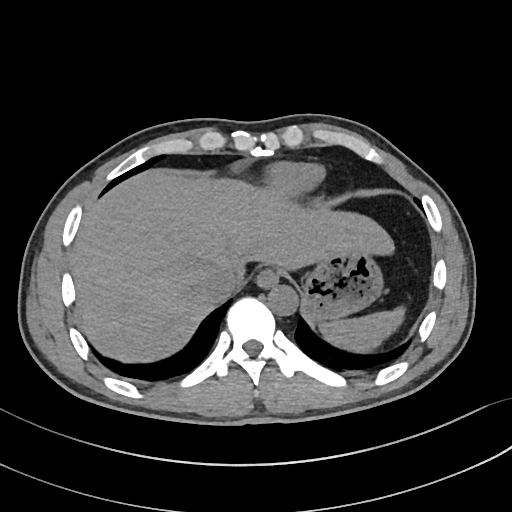

CT abdomen; axial view
<organs><organ name="spleen" x1="319" y1="309" x2="405" y2="351"/><organ name="esophagus" x1="256" y1="270" x2="279" y2="289"/><organ name="liver" x1="73" y1="170" x2="394" y2="361"/><organ name="stomach" x1="304" y1="252" x2="382" y2="320"/><organ name="aorta" x1="269" y1="286" x2="298" y2="316"/><organ name="inferior vena cava" x1="203" y1="265" x2="239" y2="300"/></organs>